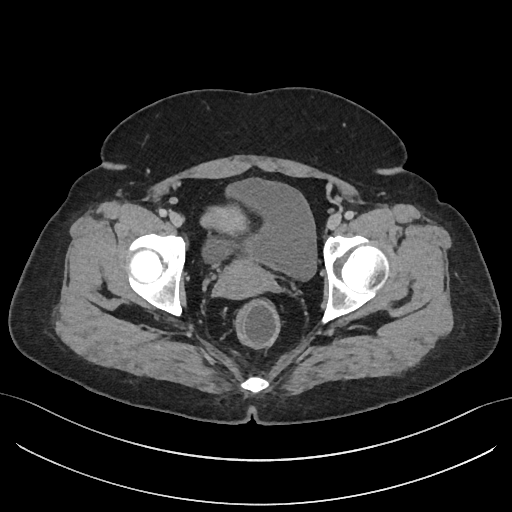
CT, abdomen/pelvis. axial view
<organs><organ name="bladder" x1="203" y1="179" x2="316" y2="279"/><organ name="prostate/uterus" x1="201" y1="206" x2="269" y2="298"/></organs>